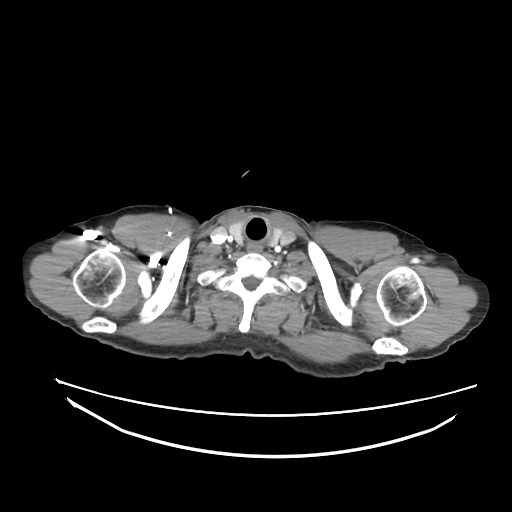
Abdominal CT reaching into the chest; this slice is in the chest · Axial slice 132/134 · soft-tissue window (W 400 / L 40) · 512x512 px · 15 organs annotated in this scan (that count is for the whole scan; organs this slice misses have no box)
At this level of the chest no structure but the esophagus and the aorta has a label in this dataset, and those two are boxed only where they are labeled.
Bounding boxes as [x1, y1, x2, y2] in pixel coordinates.
Organ bounding boxes:
- esophagus: [247, 242, 262, 251]